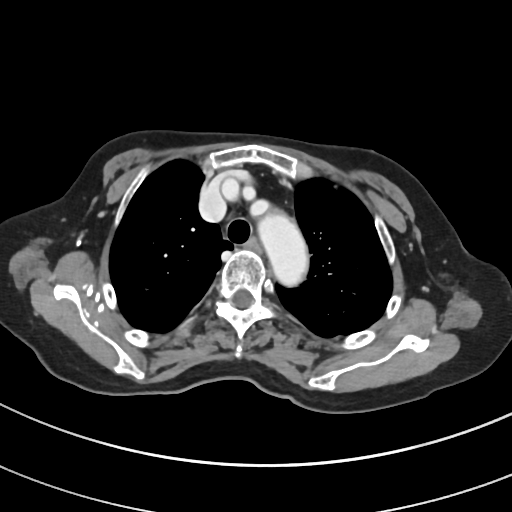
CT of the abdomen extending into the chest, slice through the chest — Axial slice 255/284 — acquired on SOMATOM Force
At this level of the chest this dataset labels only the esophagus and the aorta, and each is boxed only where it is labeled; the heart and lungs are never labeled.
{"organs":{"esophagus":[246,238,259,250],"aorta":[260,215,305,281]}}